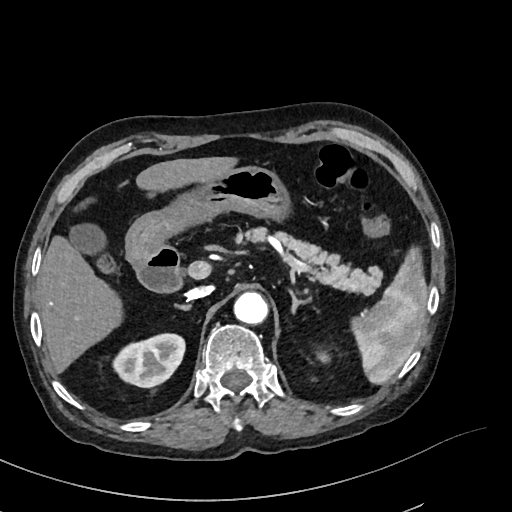 CT abdomen; axial plane, index 175; 15 organs annotated in this scan (counted over the whole 3D scan, not this slice; an organ is boxed only where this slice passes through it)
Bounding boxes as [x1, y1, x2, y2] in pixel coordinates.
Organ bounding boxes:
- spleen: [352, 246, 427, 384]
- right kidney: [114, 335, 184, 387]
- left kidney: [317, 353, 327, 361]
- gall bladder: [69, 222, 105, 254]
- liver: [37, 156, 237, 373]
- stomach: [126, 165, 290, 266]
- aorta: [233, 292, 268, 324]
- inferior vena cava: [185, 286, 212, 300]
- pancreas: [250, 227, 383, 295]
- right adrenal gland: [177, 304, 192, 311]
- left adrenal gland: [290, 292, 312, 314]
- duodenum: [136, 244, 180, 292]